CT abdomen — Axial slice 65/93 — abdomen soft-tissue window — 512x512 px
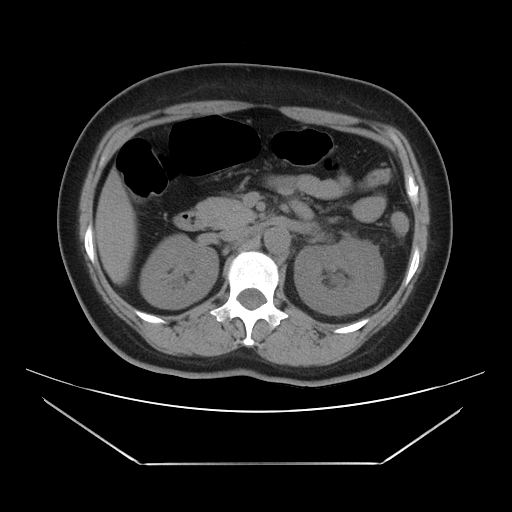 {"organs":{"duodenum":[174,200,313,230],"aorta":[264,227,290,254],"liver":[95,167,136,284],"inferior vena cava":[220,226,250,241],"left kidney":[294,237,384,315],"pancreas":[196,198,255,227],"right kidney":[139,234,218,308]}}